CT abdomen; axial plane, index 130; soft-tissue window
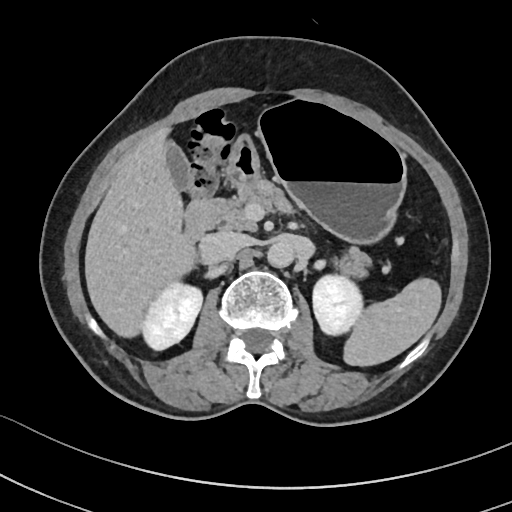

Coordinates as <box>x1,y1,x2,y2</box> in pixels. The annotated organs in this slice are: spleen at <box>343,278,441,366</box>, right kidney at <box>142,282,202,349</box>, left kidney at <box>312,275,362,335</box>, gall bladder at <box>166,142,189,190</box>, liver at <box>85,132,196,337</box>, stomach at <box>227,100,405,242</box>, aorta at <box>267,241,294,267</box>, inferior vena cava at <box>203,231,248,262</box>, pancreas at <box>192,178,370,277</box>, duodenum at <box>183,203,210,242</box>.